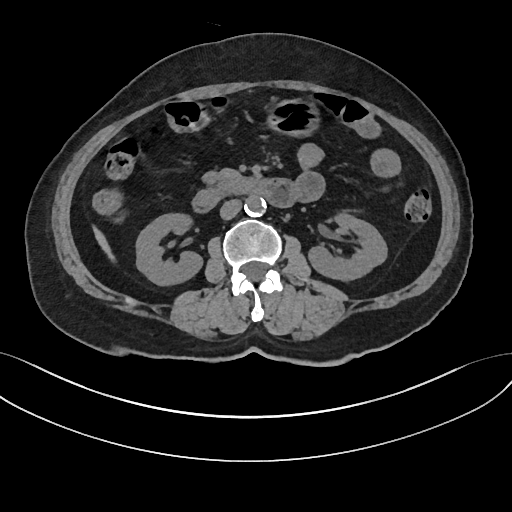
CT abdomen — axial view — abdomen soft-tissue window — acquired on SOMATOM Force
<organs><organ name="right kidney" x1="135" y1="212" x2="202" y2="285"/><organ name="duodenum" x1="194" y1="175" x2="294" y2="211"/><organ name="stomach" x1="270" y1="99" x2="317" y2="134"/><organ name="aorta" x1="245" y1="195" x2="266" y2="215"/><organ name="inferior vena cava" x1="220" y1="199" x2="241" y2="219"/><organ name="left kidney" x1="309" y1="212" x2="387" y2="280"/><organ name="liver" x1="95" y1="230" x2="115" y2="258"/><organ name="pancreas" x1="204" y1="167" x2="239" y2="181"/></organs>